CT, abdomen/pelvis; Axial slice 110/143; soft-tissue window; 512x512 px; SOMATOM Force scanner
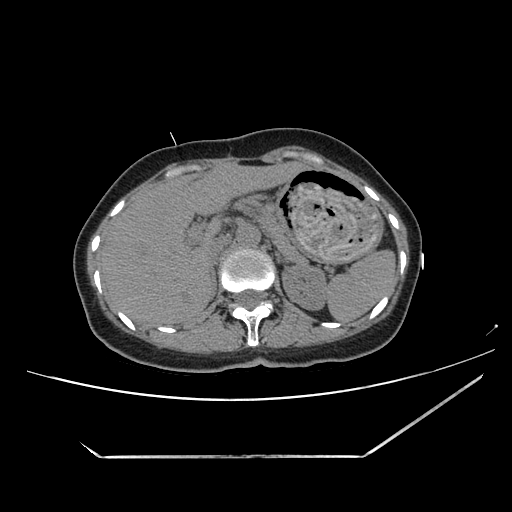 Boxes: x1:y1:x2:y2 in pixels.
Organ bounding boxes:
- spleen: 324:249:395:322
- inferior vena cava: 205:237:228:264
- left adrenal gland: 277:258:286:263
- left kidney: 282:263:325:309
- liver: 100:161:310:326
- pancreas: 258:207:306:263
- right adrenal gland: 208:270:217:297
- stomach: 273:169:383:262
- aorta: 236:225:260:247